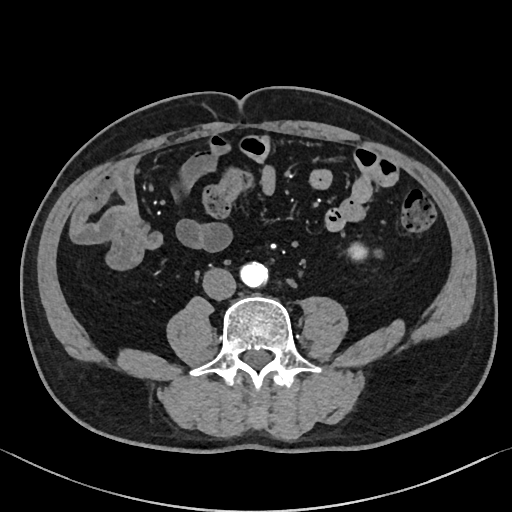

Abdominal CT — axial view — W/L 400/40 HU — 15 organs annotated in this scan (counted over the whole 3D scan, not this slice; an organ is boxed only where this slice passes through it)
{"organs":{"left kidney":[349,243,366,260],"aorta":[242,262,269,287],"inferior vena cava":[203,268,235,300]}}